CT abdomen · axial plane, index 54 · 512x512 px
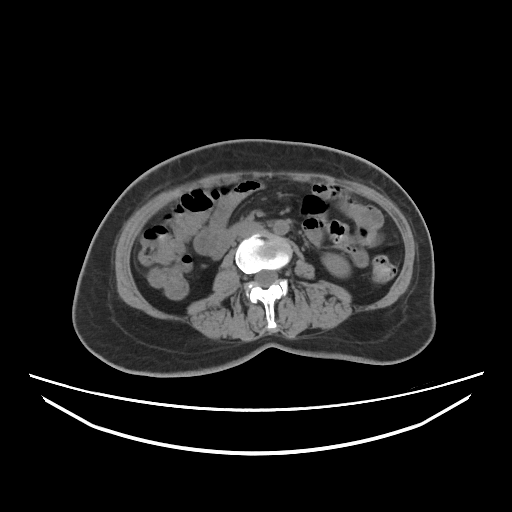
Bounding boxes as [x1, y1, x2, y2] in pixel coordinates. The annotated organs in this slice are: left kidney at [322, 253, 349, 277], aorta at [273, 220, 289, 234], inferior vena cava at [238, 223, 263, 237], duodenum at [231, 221, 250, 232].